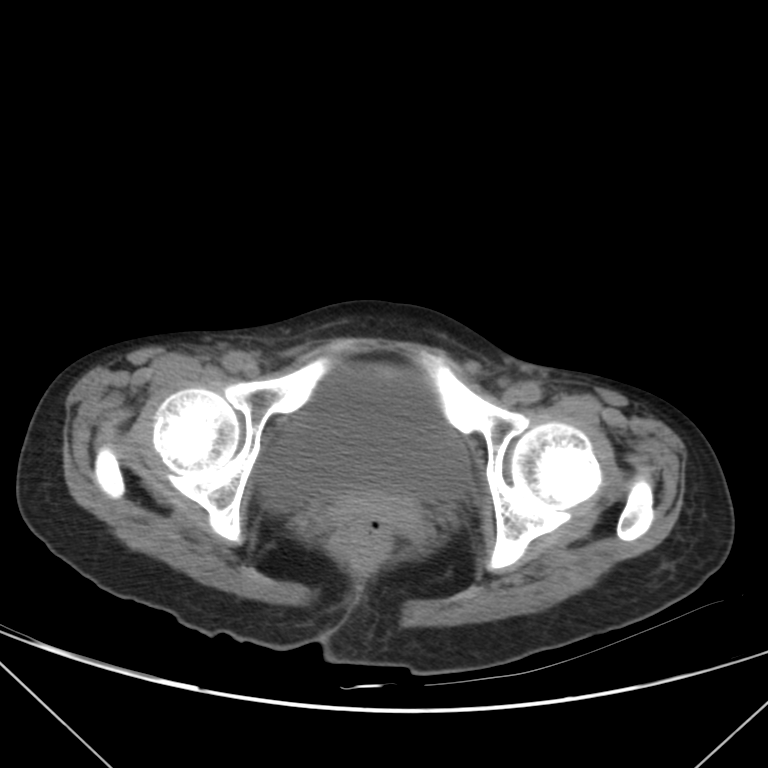

Computed tomography, abdomen; axial plane, index 14; soft-tissue window; 768x768 px
One row per box, in pixels: columns x1 and y1 give the top-left corner, x2 and y2 the bottom-right.
| organ | x1 | y1 | x2 | y2 |
|---|---|---|---|---|
| bladder | 261 | 365 | 468 | 510 |